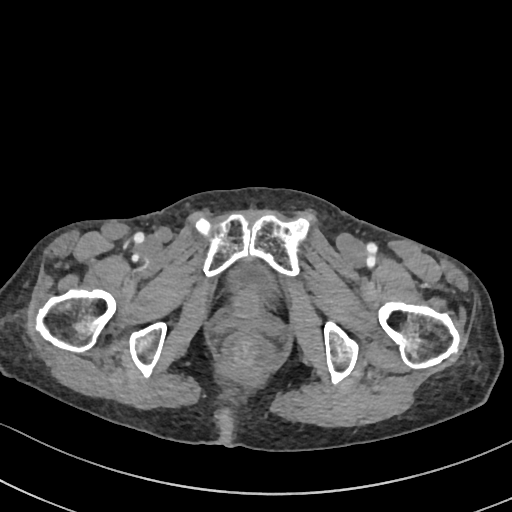

Computed tomography, abdomen — axial view — 15 organs annotated in this scan (counted over the whole 3D scan, not this slice; an organ is boxed only where this slice passes through it)
Organ boxes in pixel coordinates; each row gives the top-left (x1, y1) and bottom-right (x2, y2) corners.
| organ | x1 | y1 | x2 | y2 |
|---|---|---|---|---|
| bladder | 234 | 266 | 270 | 287 |